Computed tomography, abdomen · axial view · W/L 400/40 HU · scan has 15 labeled organs (a whole-scan count: organs this slice does not pass through have no box)
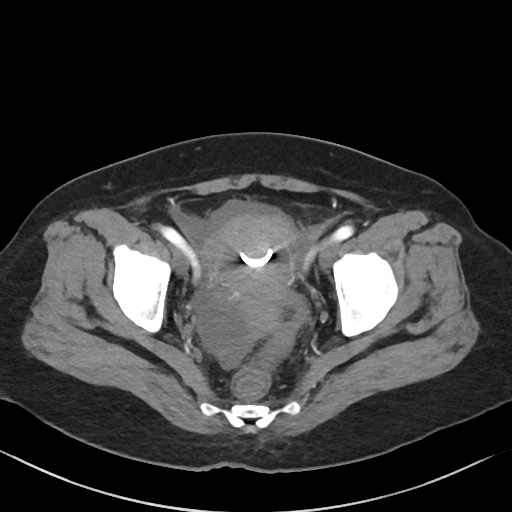

Boxes: x1:y1:x2:y2 in pixels.
prostate/uterus: 200:213:300:331